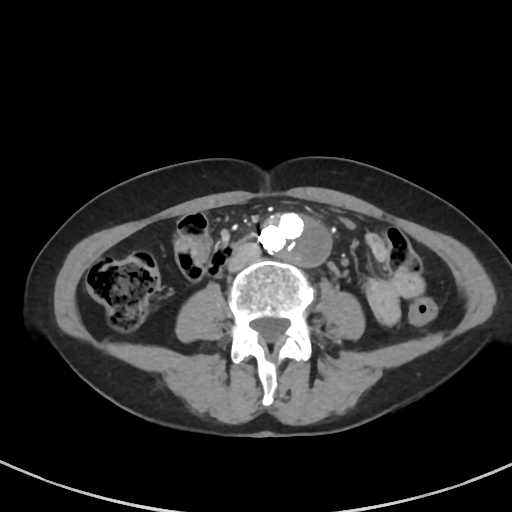
CT abdomen · axial plane, index 37
<organs><organ name="aorta" x1="259" y1="212" x2="331" y2="268"/><organ name="inferior vena cava" x1="227" y1="243" x2="260" y2="271"/><organ name="duodenum" x1="207" y1="243" x2="233" y2="276"/></organs>